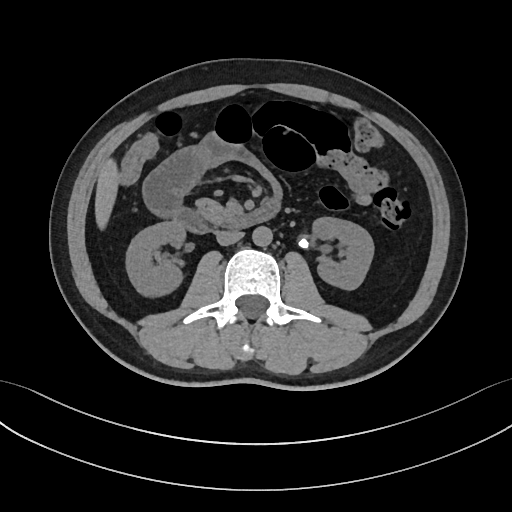

CT, abdomen/pelvis. axial view. soft-tissue window. 512x512 px
Bounding boxes as [x1, y1, x2, y2] in pixel coordinates. The annotated organs in this slice are: pancreas at [196, 198, 232, 225], aorta at [252, 226, 272, 246], left kidney at [312, 217, 373, 289], liver at [95, 159, 119, 229], duodenum at [172, 198, 280, 233], right kidney at [126, 221, 185, 296], inferior vena cava at [216, 230, 243, 245].